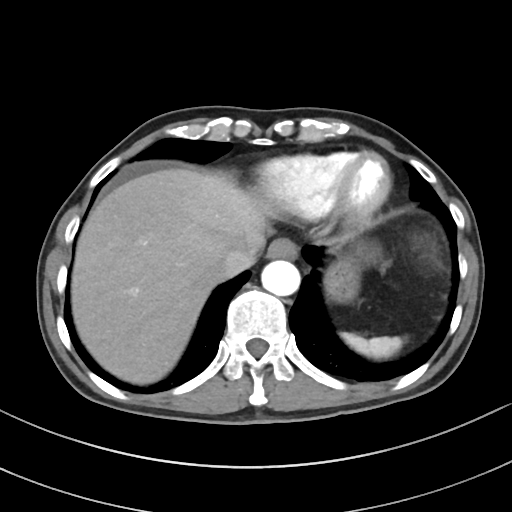
CT abdomen — axial view — abdomen soft-tissue window — 512x512 px
<organs><organ name="spleen" x1="341" y1="333" x2="402" y2="359"/><organ name="esophagus" x1="267" y1="238" x2="297" y2="258"/><organ name="liver" x1="71" y1="169" x2="266" y2="384"/><organ name="stomach" x1="324" y1="242" x2="381" y2="302"/><organ name="aorta" x1="261" y1="260" x2="300" y2="295"/><organ name="inferior vena cava" x1="220" y1="242" x2="262" y2="277"/></organs>